Computed tomography, abdomen · Axial slice 316/353
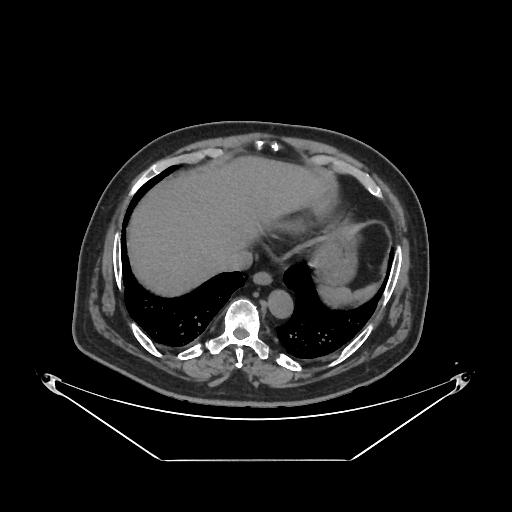
Each box given as x1,y1,x2,y2. 6 labeled organs on this slice — spleen at x1=319, y1=284, x2=375, y2=304; aorta at x1=268, y1=289, x2=293, y2=317; esophagus at x1=253, y1=271, x2=272, y2=284; liver at x1=126, y1=154, x2=331, y2=298; inferior vena cava at x1=221, y1=250, x2=252, y2=271; stomach at x1=312, y1=227, x2=355, y2=286.